Computed tomography, abdomen; Axial slice 53/96
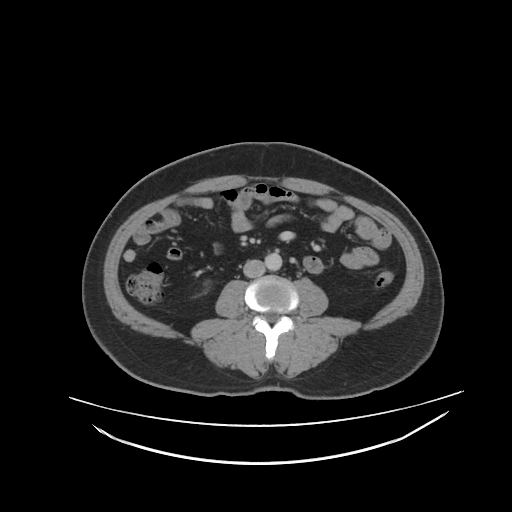

{"organs":{"aorta":[264,252,281,270],"inferior vena cava":[243,259,265,277]}}